Abdominal CT; axial view; 15 organs annotated in this scan (counted over the whole 3D scan, not this slice; an organ is boxed only where this slice passes through it)
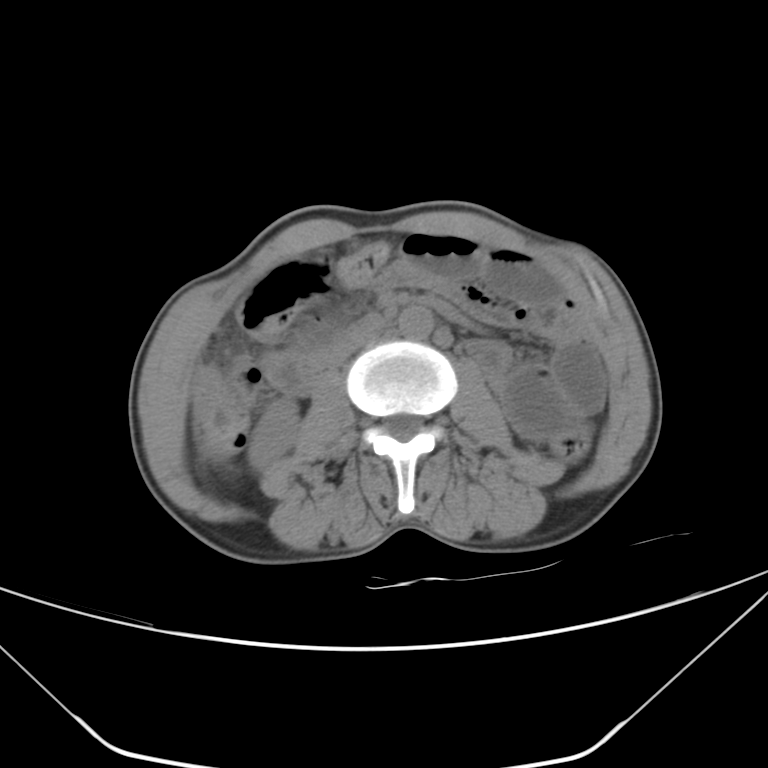 <organs><organ name="right kidney" x1="248" y1="397" x2="299" y2="469"/><organ name="aorta" x1="399" y1="305" x2="433" y2="338"/><organ name="inferior vena cava" x1="330" y1="330" x2="381" y2="366"/><organ name="duodenum" x1="267" y1="313" x2="384" y2="393"/></organs>